CT, abdomen/pelvis · axial view · W/L 400/40 HU · 512x512 px · 40-year-old male patient · acquired on Aquilion ONE · scan has 15 labeled organs (counted over the whole 3D scan, not this slice; an organ is boxed only where this slice passes through it)
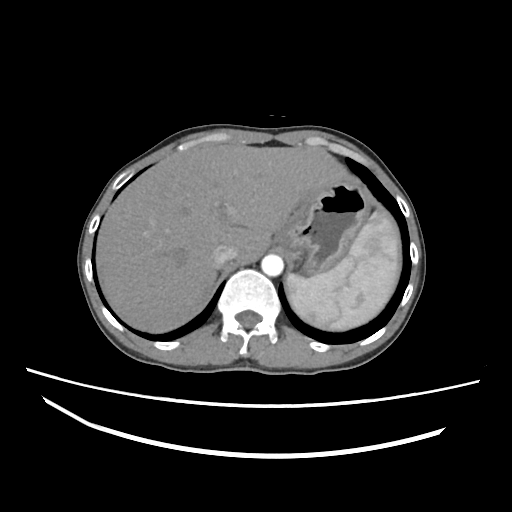

<organs><organ name="spleen" x1="286" y1="211" x2="399" y2="330"/><organ name="liver" x1="96" y1="143" x2="341" y2="333"/><organ name="stomach" x1="273" y1="177" x2="372" y2="275"/><organ name="aorta" x1="261" y1="254" x2="283" y2="276"/><organ name="inferior vena cava" x1="212" y1="244" x2="236" y2="266"/></organs>